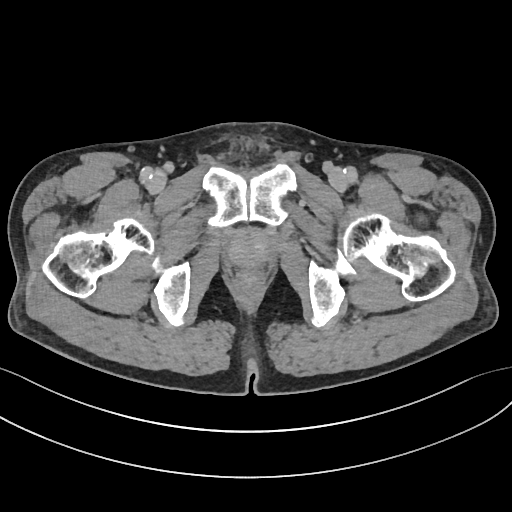
CT abdomen — axial view
<organs><organ name="prostate/uterus" x1="228" y1="229" x2="269" y2="266"/></organs>